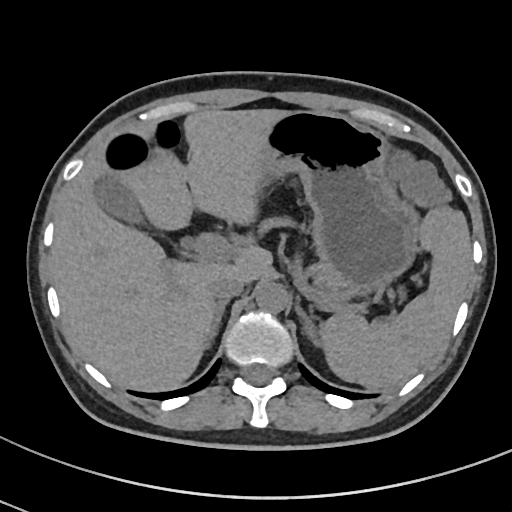
CT, abdomen/pelvis; Axial slice 178/218; W/L 400/40 HU; 512x512 px; SOMATOM Force scanner
Boxes: x1:y1:x2:y2 in pixels. Labeled organs on this slice: spleen at 321:207:471:388, stomach at 252:109:415:292, inferior vena cava at 209:272:245:299, left adrenal gland at 295:305:321:346, liver at 52:108:280:390, right adrenal gland at 202:298:230:347, pancreas at 313:267:358:293, gall bladder at 92:179:144:222, aorta at 255:281:287:312.